CT abdomen; axial plane, index 9; soft-tissue window (W 400 / L 40); 512x512 px; scan has 15 labeled organs (that count is for the whole scan; organs this slice misses have no box)
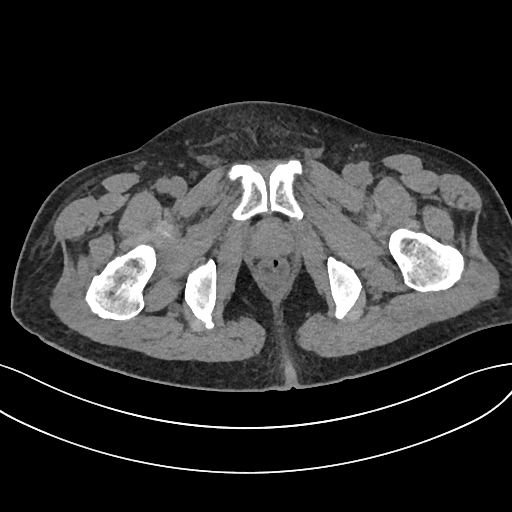

{"organs":{"prostate/uterus":[255,226,288,254]}}